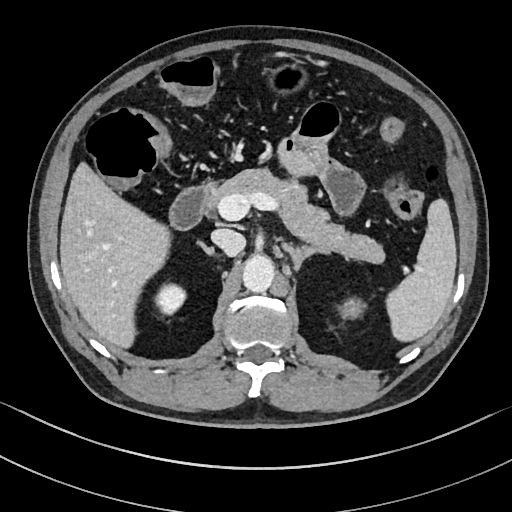
CT abdomen. axial view. 512x512 px. acquired on SOMATOM Force
One row per box, in pixels: columns x1 and y1 give the top-left corner, x2 and y2 the bottom-right.
| organ | x1 | y1 | x2 | y2 |
|---|---|---|---|---|
| spleen | 385 | 199 | 456 | 340 |
| right kidney | 155 | 284 | 186 | 314 |
| left kidney | 339 | 298 | 364 | 321 |
| liver | 60 | 164 | 170 | 347 |
| stomach | 274 | 65 | 302 | 91 |
| aorta | 242 | 254 | 274 | 291 |
| inferior vena cava | 211 | 229 | 245 | 256 |
| pancreas | 206 | 168 | 385 | 262 |
| right adrenal gland | 202 | 245 | 213 | 253 |
| left adrenal gland | 283 | 242 | 330 | 268 |
| duodenum | 168 | 187 | 208 | 230 |